CT abdomen — axial view — 34-year-old female patient — Aquilion ONE scanner
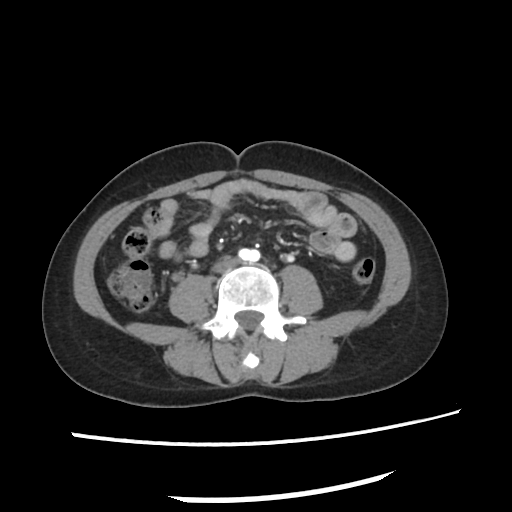 Coordinates as <box>x1,y1,x2,y2</box> in pixels.
Organ bounding boxes:
- inferior vena cava: <box>212,258,240,272</box>